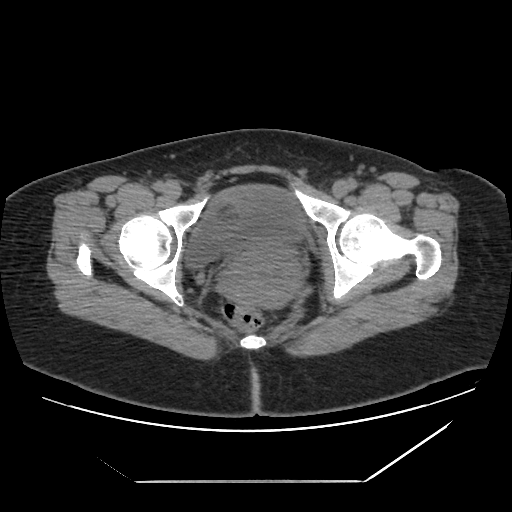

CT, abdomen/pelvis; axial plane, index 26; abdomen soft-tissue window; 512x512 px
Bounding boxes as [x1, y1, x2, y2] in pixel coordinates.
bladder: [187, 185, 305, 266]
prostate/uterus: [223, 254, 295, 304]